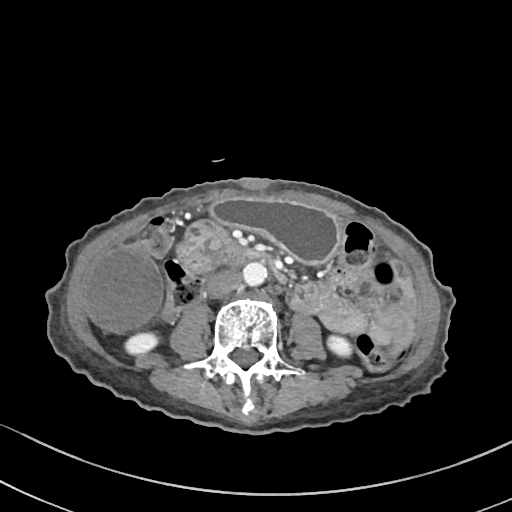 CT abdomen — axial view — W/L 400/40 HU — 512x512 px
Box edges are left/top/right/bottom in pixels. Labeled organs on this slice: right kidney at left=125, top=332, right=158, bottom=354, left kidney at left=327, top=336, right=351, bottom=354, gall bladder at left=81, top=248, right=163, bottom=331, stomach at left=210, top=198, right=339, bottom=262, aorta at left=243, top=261, right=267, bottom=284, inferior vena cava at left=207, top=268, right=241, bottom=296, duodenum at left=177, top=222, right=288, bottom=282.